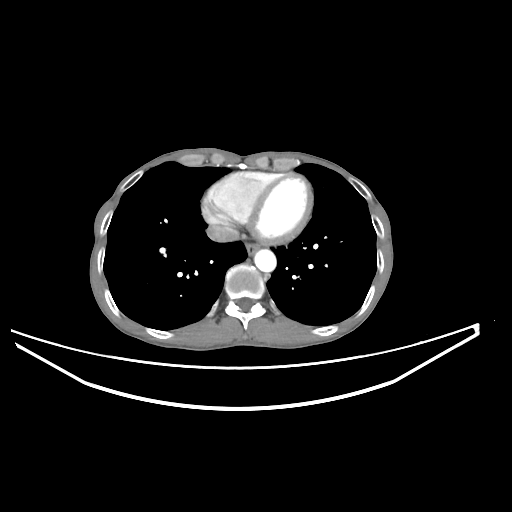 CT of the abdomen reaching into the lower chest, slice just above the liver and spleen; axial plane, index 84; Aquilion ONE scanner; scan has 15 labeled organs (a whole-scan count: organs this slice does not pass through have no box)
The heart and lungs are never labeled in this dataset, so they have no box on this slice.
<organs><organ name="inferior vena cava" x1="206" y1="224" x2="239" y2="242"/><organ name="esophagus" x1="245" y1="243" x2="260" y2="255"/><organ name="aorta" x1="254" y1="249" x2="276" y2="272"/></organs>